Magnetic resonance imaging, abdomen; axial plane, index 48; percentile-normalized; scan has 13 labeled organs (a whole-scan count: organs this slice does not pass through have no box)
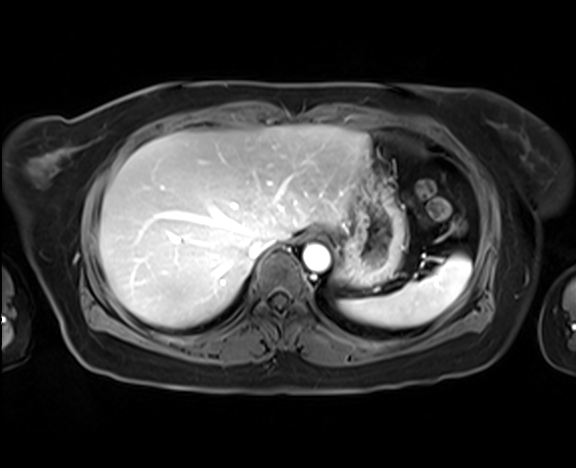
{"organs":{"spleen":[339,255,471,327],"esophagus":[306,229,323,238],"liver":[99,125,369,327],"stomach":[335,157,406,286],"aorta":[302,243,330,272],"inferior vena cava":[248,237,276,259]}}